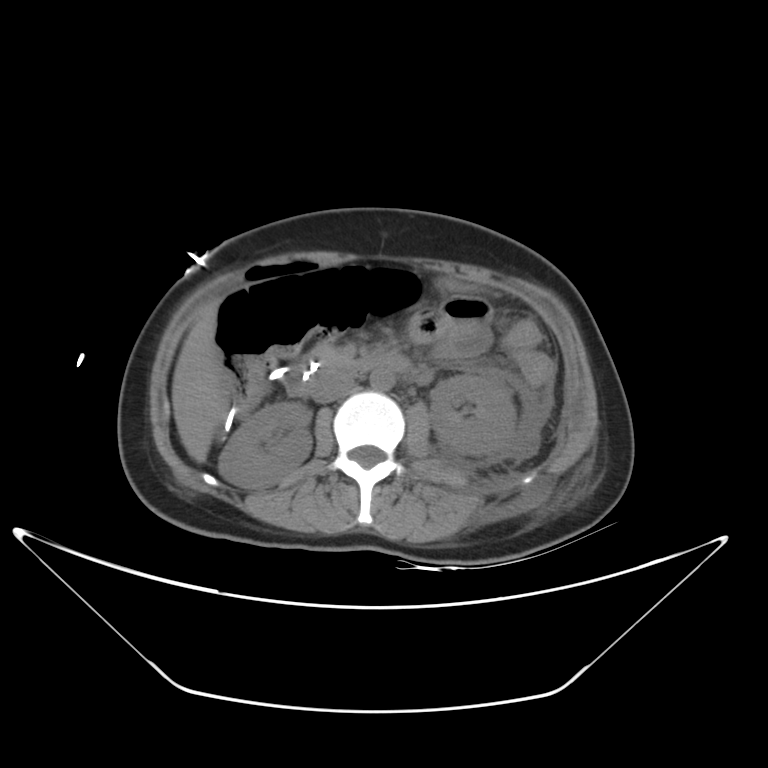 CT abdomen; axial plane, index 60
Coordinates as <box>x1,y1,x2,y2</box> in pixels.
Organ bounding boxes:
- left kidney: <box>429,374,516,455</box>
- pancreas: <box>301,347,345,375</box>
- aorta: <box>370,369,394,390</box>
- duodenum: <box>267,353,411,396</box>
- inferior vena cava: <box>312,371,354,402</box>
- stomach: <box>440,278,476,292</box>
- liver: <box>172,302,227,463</box>
- right kidney: <box>218,402,311,488</box>